Abdominal CT. axial view. soft-tissue window. scan has 15 labeled organs (that count is for the whole scan; organs this slice misses have no box)
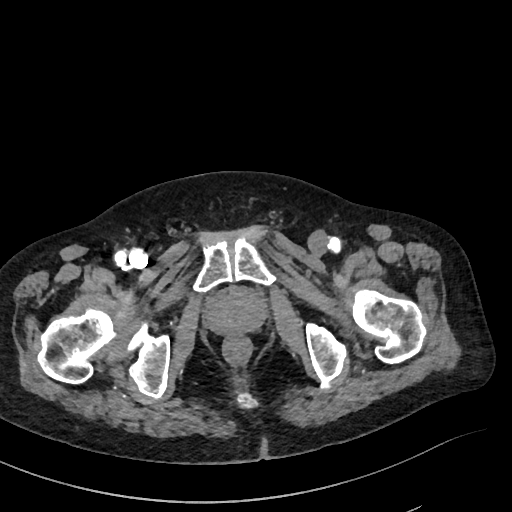 Bounding boxes in pixels, one row per box: x1, y1 is the top-left corner and x2, y2 the bottom-right.
| organ | x1 | y1 | x2 | y2 |
|---|---|---|---|---|
| prostate/uterus | 206 | 290 | 265 | 334 |